CT of the abdomen reaching into the lower chest, slice just above the liver and spleen · axial view · 512x512 px · 63-year-old female patient
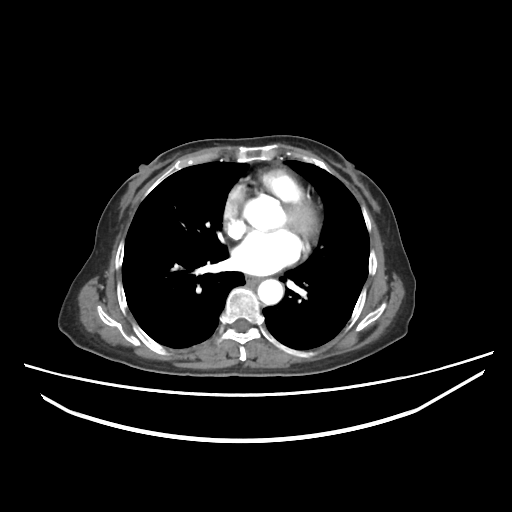

No part of the heart or lungs is labeled in this dataset, so neither has a box here.
Bounding boxes in pixels, one row per box: x1, y1 is the top-left corner and x2, y2 the bottom-right.
| organ | x1 | y1 | x2 | y2 |
|---|---|---|---|---|
| esophagus | 244 | 275 | 260 | 284 |
| aorta | 258 | 279 | 282 | 304 |